Computed tomography, abdomen. Axial slice 67/80. soft-tissue window (W 400 / L 40). 512x512 px
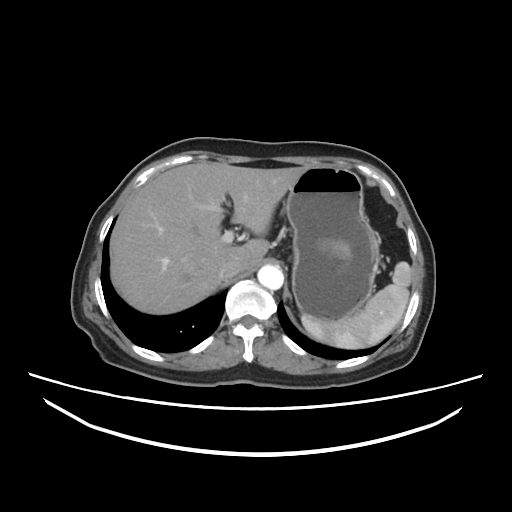 Boxes: x1:y1:x2:y2 in pixels.
Organ bounding boxes:
- stomach: 285:166:380:319
- aorta: 258:264:284:289
- spleen: 300:261:411:349
- inferior vena cava: 216:261:240:279
- liver: 110:163:306:314